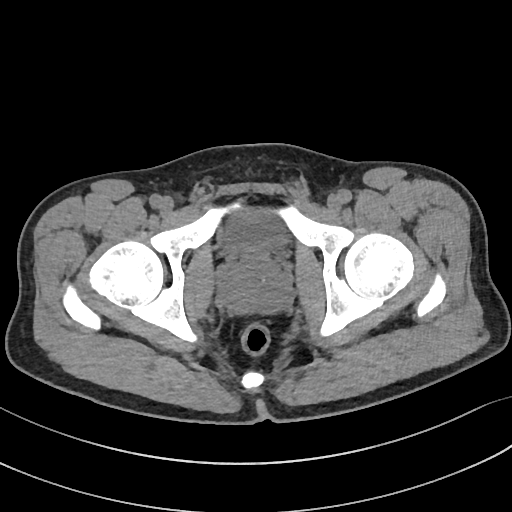

CT, abdomen/pelvis. axial view. soft-tissue window (W 400 / L 40). acquired on SOMATOM Force
Organ boxes in pixel coordinates; each row gives the top-left (x1, y1) and bottom-right (x2, y2) corners.
| organ | x1 | y1 | x2 | y2 |
|---|---|---|---|---|
| bladder | 224 | 208 | 284 | 256 |
| prostate/uterus | 222 | 254 | 290 | 312 |